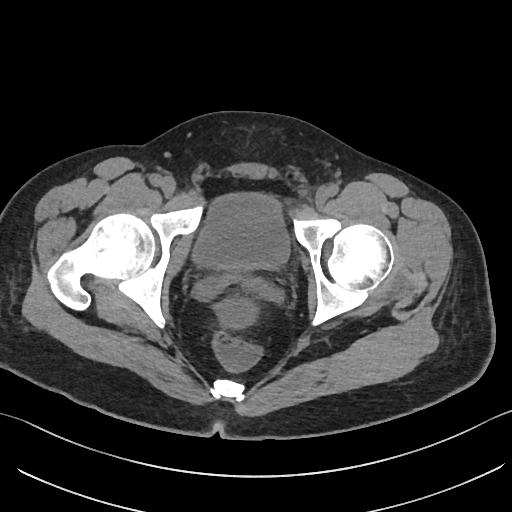
Abdominal CT. Axial slice 23/234. 512x512 px. acquired on SOMATOM Force. scan has 15 labeled organs (that count is for the whole scan; organs this slice misses have no box)
<organs><organ name="bladder" x1="191" y1="191" x2="290" y2="268"/></organs>